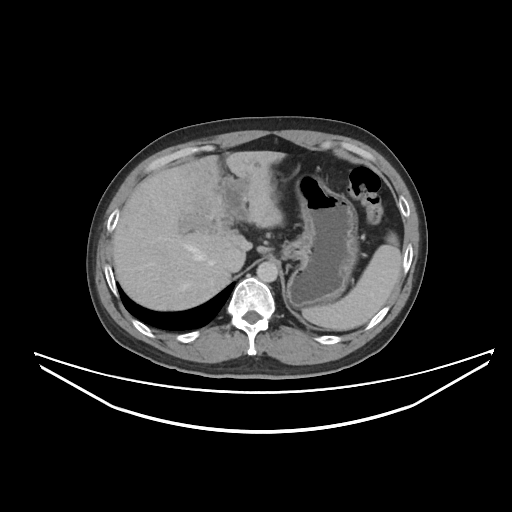

Abdominal CT — axial view — 40-year-old male patient
Bounding boxes in pixels, one row per box: x1, y1 is the top-left corner and x2, y2 the bottom-right.
| organ | x1 | y1 | x2 | y2 |
|---|---|---|---|---|
| aorta | 256 | 261 | 278 | 282 |
| inferior vena cava | 222 | 248 | 245 | 272 |
| spleen | 302 | 233 | 401 | 330 |
| stomach | 286 | 174 | 358 | 307 |
| liver | 112 | 151 | 285 | 310 |